CT abdomen; axial view; 512x512 px; acquired on SOMATOM Force; scan has 15 labeled organs (a whole-scan count: organs this slice does not pass through have no box)
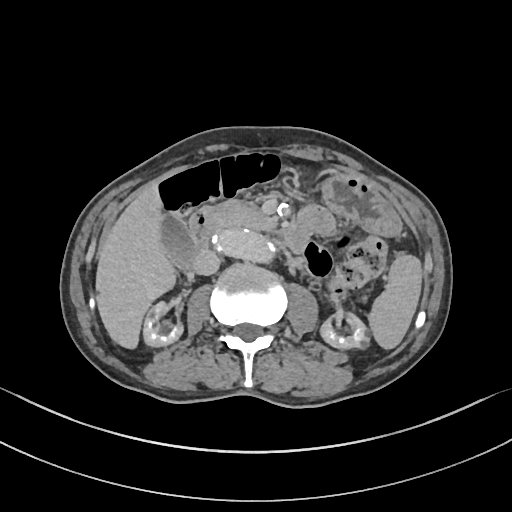 One row per box, in pixels: columns x1 and y1 give the top-left corner, x2 and y2 the bottom-right.
| organ | x1 | y1 | x2 | y2 |
|---|---|---|---|---|
| left kidney | 320 | 313 | 370 | 349 |
| stomach | 322 | 172 | 400 | 236 |
| duodenum | 188 | 208 | 309 | 253 |
| aorta | 212 | 230 | 271 | 260 |
| inferior vena cava | 193 | 250 | 219 | 275 |
| right kidney | 143 | 301 | 182 | 346 |
| pancreas | 212 | 200 | 276 | 232 |
| spleen | 368 | 254 | 422 | 349 |
| gall bladder | 161 | 215 | 194 | 268 |
| liver | 95 | 186 | 175 | 348 |